CT, abdomen/pelvis · Axial slice 57/140 · abdomen soft-tissue window
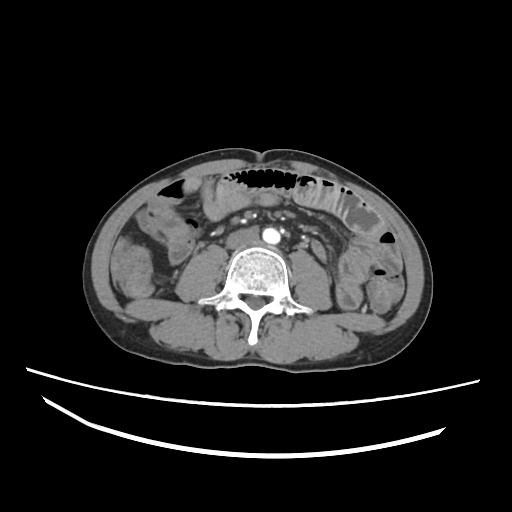 <organs><organ name="aorta" x1="262" y1="228" x2="280" y2="244"/><organ name="inferior vena cava" x1="226" y1="227" x2="259" y2="248"/></organs>